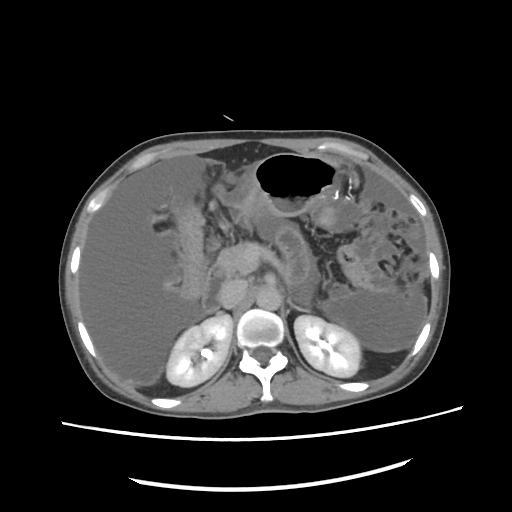
Abdominal CT; Axial slice 83/112; abdomen soft-tissue window; acquired on Aquilion ONE
Boxes are (x1, y1, x2, y2) in pixels.
Organ bounding boxes:
- right kidney: (166, 315, 231, 386)
- left kidney: (293, 315, 361, 377)
- stomach: (249, 154, 345, 215)
- aorta: (258, 288, 281, 312)
- inferior vena cava: (221, 280, 245, 308)
- pancreas: (218, 243, 247, 272)
- left adrenal gland: (288, 299, 307, 312)
- duodenum: (203, 229, 308, 313)